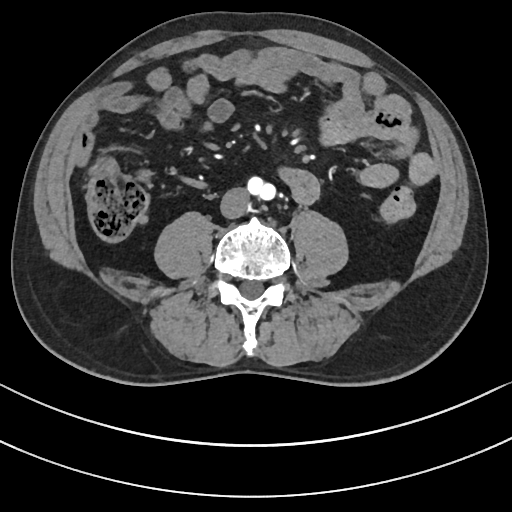

CT abdomen. axial view. 512x512 px
Boxes: x1:y1:x2:y2 in pixels.
inferior vena cava: 220:187:250:218